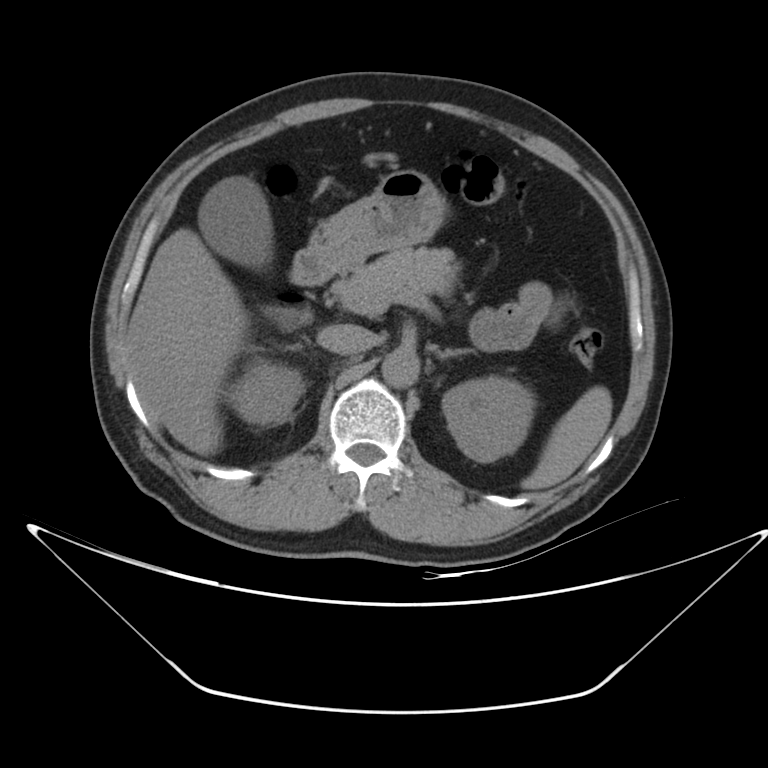

CT, abdomen/pelvis · axial view · soft-tissue window · 768x768 px · Brilliance16 scanner
Bounding boxes as [x1, y1, x2, y2] in pixel coordinates.
Organ bounding boxes:
- spleen: [522, 385, 613, 489]
- right kidney: [227, 356, 304, 425]
- left kidney: [442, 376, 535, 462]
- gall bladder: [199, 177, 272, 268]
- liver: [127, 228, 248, 455]
- stomach: [310, 170, 447, 269]
- aorta: [381, 349, 419, 387]
- inferior vena cava: [317, 324, 372, 355]
- pancreas: [331, 248, 457, 312]
- left adrenal gland: [435, 348, 473, 358]
- duodenum: [267, 246, 336, 330]